Abdominal CT. Axial slice 113/222. 512x512 px
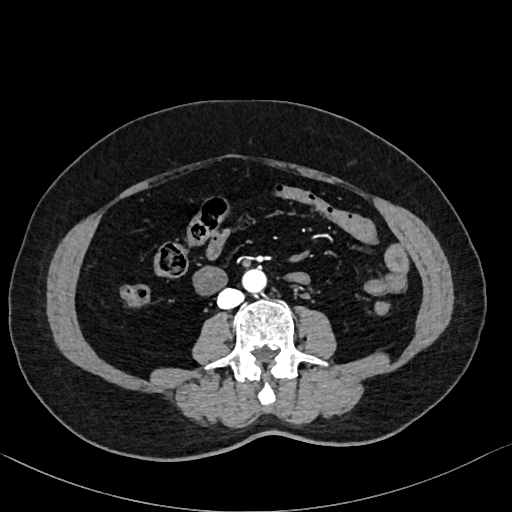

<organs><organ name="aorta" x1="243" y1="268" x2="267" y2="293"/><organ name="inferior vena cava" x1="217" y1="288" x2="244" y2="309"/></organs>